CT, abdomen/pelvis. axial view. scan has 15 labeled organs (a whole-scan count: organs this slice does not pass through have no box)
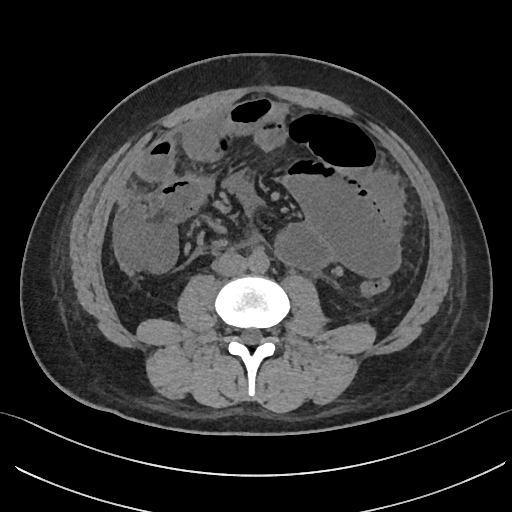
Boxes: x1:y1:x2:y2 in pixels.
aorta: 248:251:269:273
inferior vena cava: 215:252:247:276